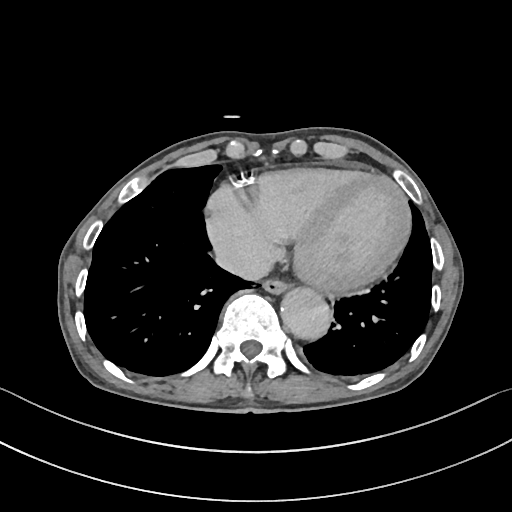
CT of the abdomen reaching into the lower chest, slice just above the liver and spleen; axial view; soft-tissue window; SOMATOM Force scanner
The heart and lungs are never labeled in this dataset, so they have no box on this slice.
{"organs":{"esophagus":[263,281,287,292],"aorta":[280,285,330,338],"inferior vena cava":[215,243,271,279]}}